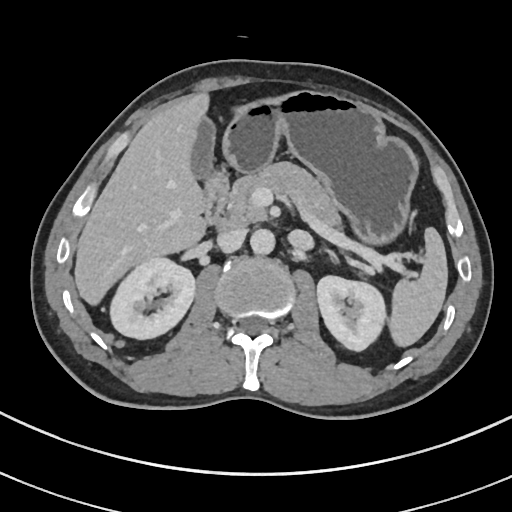
CT, abdomen/pelvis — axial view
Coordinates as <box>x1,y1,x2,y2</box> in pixels.
aorta: <box>250,229,275,254</box>
spleen: <box>388,227,447,346</box>
pancreas: <box>225,162,341,229</box>
inferior vena cava: <box>217,228,246,252</box>
duodenum: <box>204,186,228,230</box>
left kidney: <box>317,276,386,350</box>
right kidney: <box>110,257,194,339</box>
stomach: <box>206,90,418,242</box>
gall bladder: <box>191,117,215,178</box>
liver: <box>74,93,209,305</box>